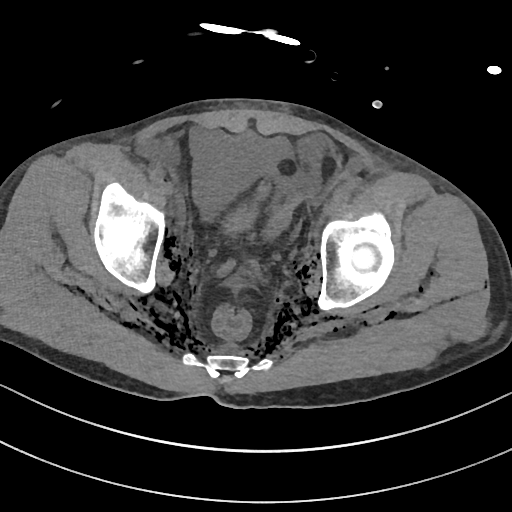
Computed tomography, abdomen. axial view
Boxes: x1:y1:x2:y2 in pixels.
Organ bounding boxes:
- bladder: 224:178:270:233